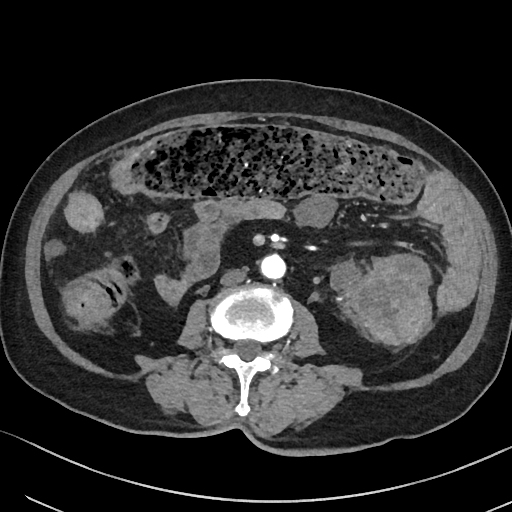
Computed tomography, abdomen — Axial slice 127/297 — W/L 400/40 HU — 15 organs annotated in this scan (a whole-scan count: organs this slice does not pass through have no box)
Bounding boxes in pixels, one row per box: x1, y1 is the top-left corner and x2, y2 the bottom-right.
| organ | x1 | y1 | x2 | y2 |
|---|---|---|---|---|
| inferior vena cava | 220 | 269 | 246 | 285 |
| aorta | 260 | 254 | 285 | 279 |